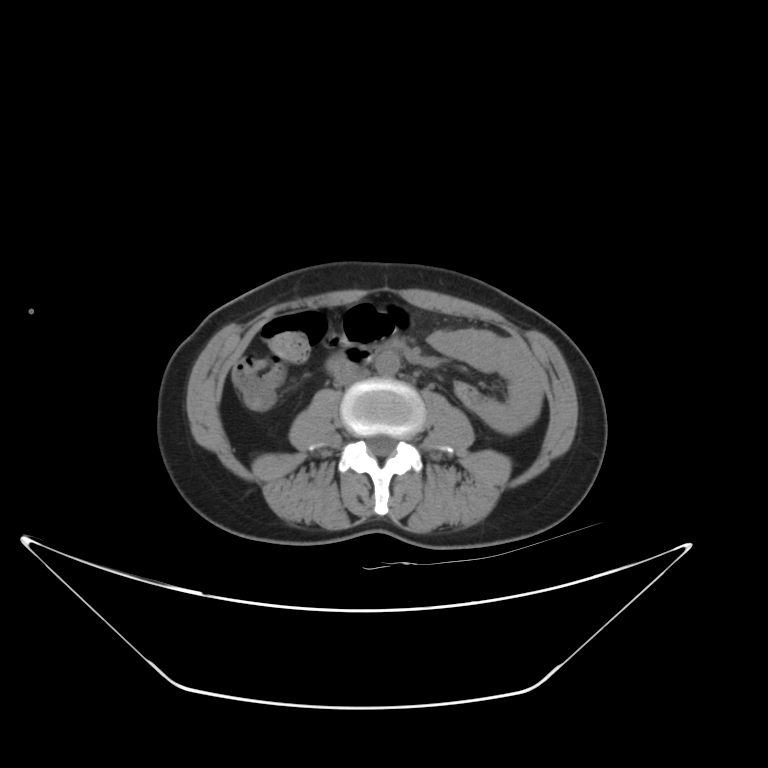 CT abdomen. Axial slice 55/99. soft-tissue window (W 400 / L 40). scan has 15 labeled organs (counted over the whole 3D scan, not this slice; an organ is boxed only where this slice passes through it)
Boxes: x1 y1 x2 y2 (pixel coords, space-separated). Labeled organs on this slice: aorta at 375 351 399 375, duodenum at 326 343 383 374, inferior vena cava at 335 369 367 386.